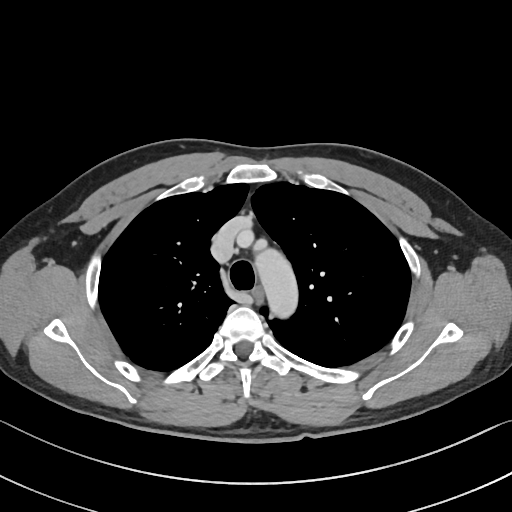 Abdominal CT reaching into the chest; this slice is in the chest — axial plane, index 253 — 512x512 px — scan has 15 labeled organs (that count is for the whole scan; organs this slice misses have no box)
On a slice this high in the chest, this dataset labels only the esophagus and the aorta, and each is boxed only where it is labeled; the heart, lungs and other chest structures are not labeled.
{"organs":{"aorta":[255,249,298,317],"esophagus":[252,287,262,300]}}